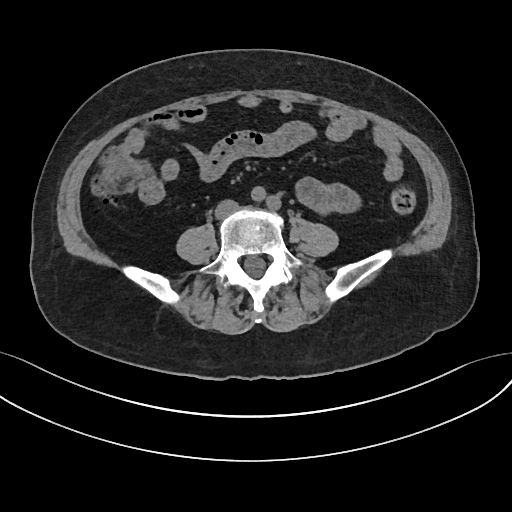
Computed tomography, abdomen · axial plane, index 87 · SOMATOM Force scanner
{"organs":{"inferior vena cava":[216,200,236,214]}}